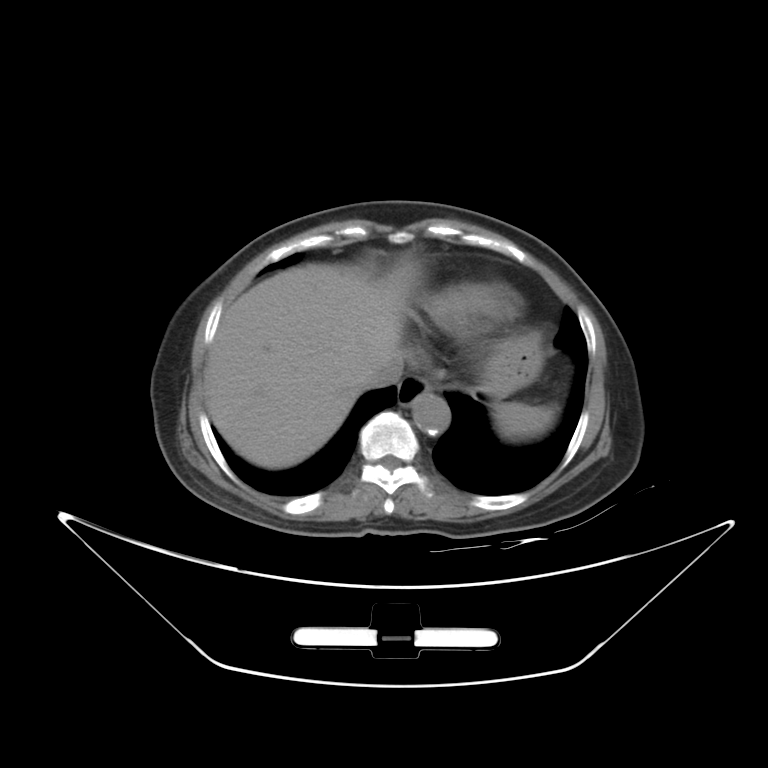

Computed tomography, abdomen. axial plane, index 79. abdomen soft-tissue window. 15 organs annotated in this scan (counted over the whole 3D scan, not this slice; an organ is boxed only where this slice passes through it)
Bounding boxes as [x1, y1, x2, y2] in pixel coordinates.
Organ bounding boxes:
- spleen: [493, 401, 555, 438]
- esophagus: [397, 376, 436, 405]
- liver: [204, 264, 409, 469]
- stomach: [486, 331, 544, 394]
- aorta: [411, 392, 450, 434]
- inferior vena cava: [361, 354, 404, 389]